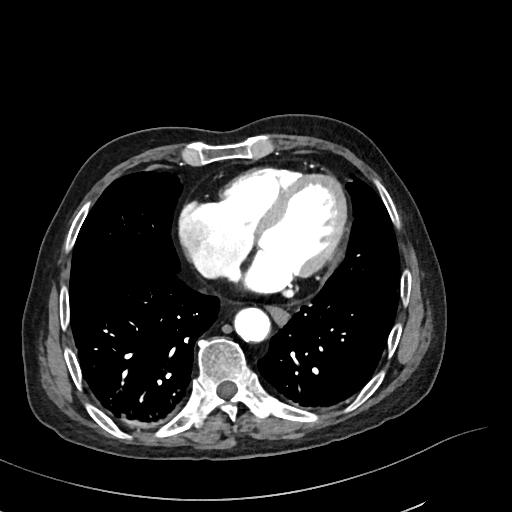 Lower-chest slice from an abdominal CT, just above the liver and spleen · axial view · soft-tissue window · 512x512 px · SOMATOM Force scanner
No part of the heart or lungs is labeled in this dataset, so neither has a box here.
<organs><organ name="aorta" x1="234" y1="308" x2="270" y2="342"/><organ name="esophagus" x1="268" y1="306" x2="288" y2="323"/></organs>